CT, abdomen/pelvis; axial view
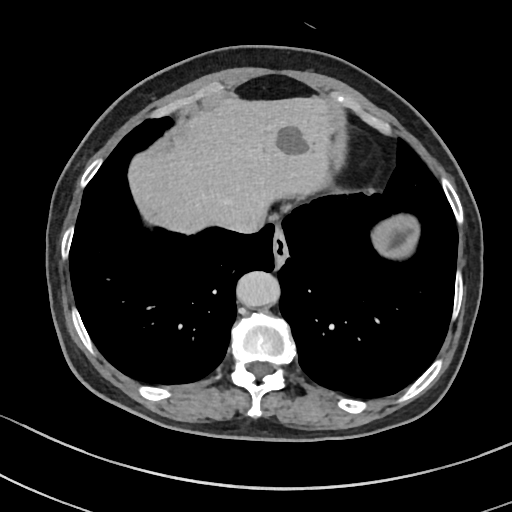
{"organs":{"aorta":[236,271,280,307],"inferior vena cava":[220,210,264,233],"esophagus":[272,226,288,266],"stomach":[372,217,420,256],"liver":[129,97,336,233]}}